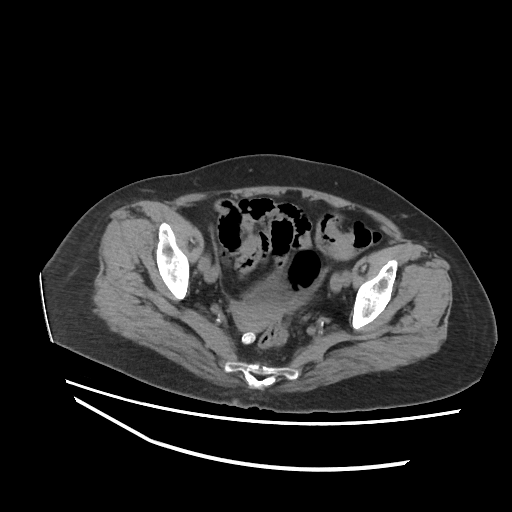
Abdominal CT; axial view; soft-tissue window (W 400 / L 40); 57-year-old female patient; scan has 15 labeled organs (counted over the whole 3D scan, not this slice; an organ is boxed only where this slice passes through it)
{"organs":{"bladder":[247,278,286,303],"prostate/uterus":[232,303,281,332]}}